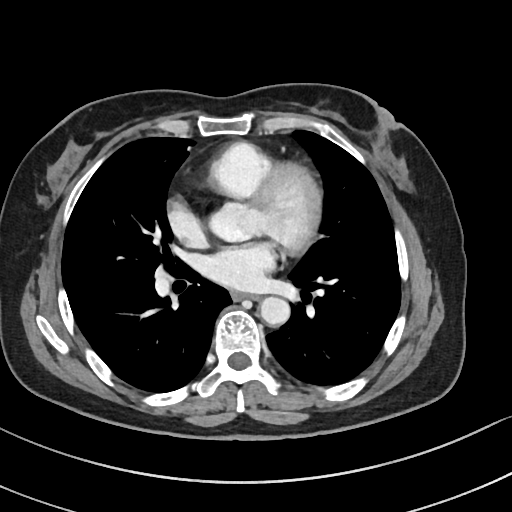 CT of the abdomen reaching into the lower chest, slice just above the liver and spleen · axial view · W/L 400/40 HU
Of the structures in the chest, this dataset labels only the esophagus, the aorta and the inferior vena cava; the heart and lungs have no label.
One row per box, in pixels: columns x1 and y1 give the top-left corner, x2 and y2 the bottom-right.
| organ | x1 | y1 | x2 | y2 |
|---|---|---|---|---|
| aorta | 259 | 296 | 289 | 325 |
| esophagus | 231 | 292 | 258 | 300 |